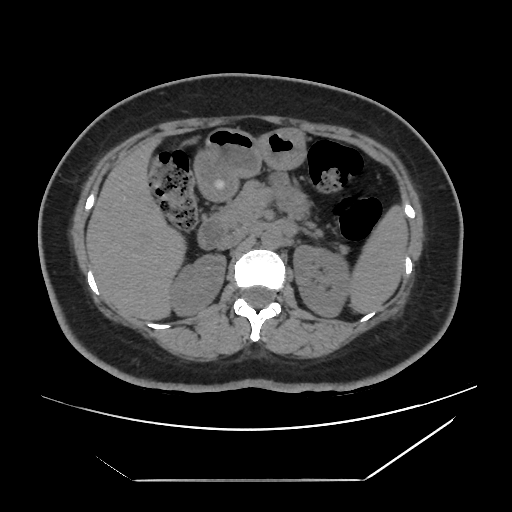
Abdominal CT. axial view
{"organs":{"spleen":[350,206,407,313],"right kidney":[169,254,226,316],"left kidney":[293,245,351,316],"liver":[86,137,183,320],"stomach":[194,127,306,199],"aorta":[261,228,282,248],"inferior vena cava":[217,229,247,249],"pancreas":[216,181,319,233],"duodenum":[197,216,226,249]}}